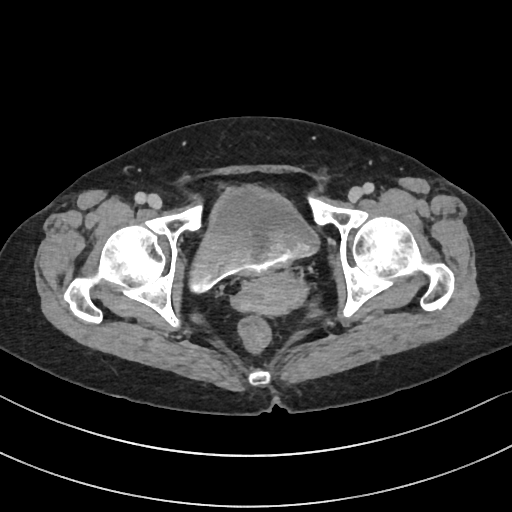

CT abdomen. Axial slice 28/212. W/L 400/40 HU. scan has 15 labeled organs (counted over the whole 3D scan, not this slice; an organ is boxed only where this slice passes through it)
Boxes: x1 y1 x2 y2 (pixel coords, space-separated). Labeled organs on this slice: bladder at 186 185 320 295, prostate/uterus at 234 274 308 317.